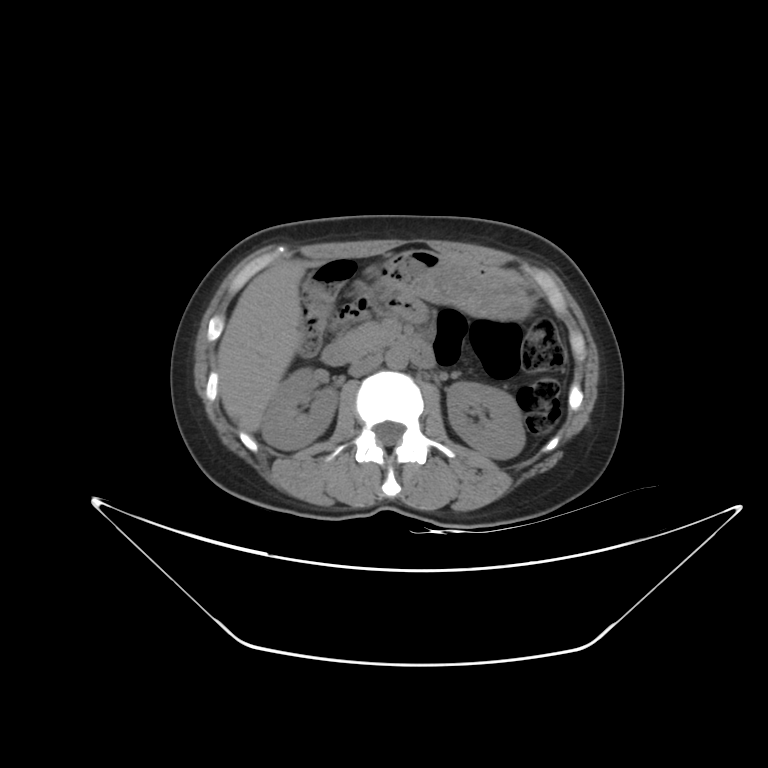

CT abdomen; axial plane, index 60; abdomen soft-tissue window; 768x768 px
Coordinates as <box>x1,y1,x2,y2</box> in pixels.
right kidney: <box>261,368,337,450</box>
inferior vena cava: <box>348,354,382,376</box>
liver: <box>217,266,305,431</box>
left kidney: <box>447,382,525,459</box>
stomach: <box>376,250,531,319</box>
duodenum: <box>321,337,435,368</box>
aorta: <box>386,348,408,369</box>
pancreas: <box>338,322,397,353</box>